Abdominal CT; axial plane, index 89; soft-tissue window
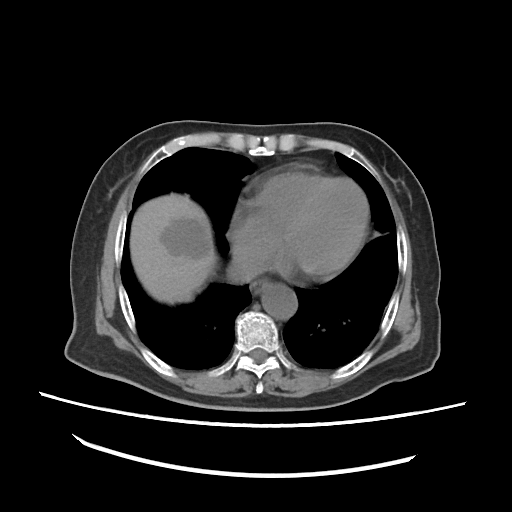

{"organs":{"esophagus":[251,282,270,293],"liver":[130,194,215,304],"aorta":[261,286,296,319],"inferior vena cava":[226,243,269,281]}}